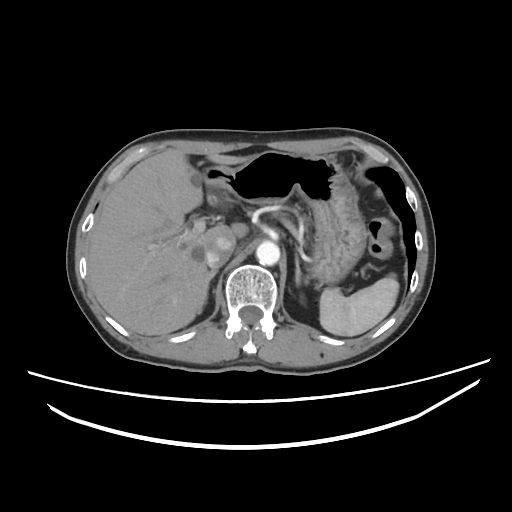

Computed tomography, abdomen · axial plane, index 42 · soft-tissue window · 63-year-old male patient
<organs><organ name="spleen" x1="319" y1="274" x2="398" y2="336"/><organ name="left kidney" x1="301" y1="296" x2="304" y2="302"/><organ name="liver" x1="88" y1="149" x2="252" y2="335"/><organ name="stomach" x1="200" y1="150" x2="365" y2="285"/><organ name="aorta" x1="256" y1="241" x2="279" y2="265"/><organ name="inferior vena cava" x1="204" y1="237" x2="235" y2="268"/><organ name="right adrenal gland" x1="197" y1="269" x2="217" y2="312"/><organ name="left adrenal gland" x1="295" y1="253" x2="306" y2="285"/></organs>